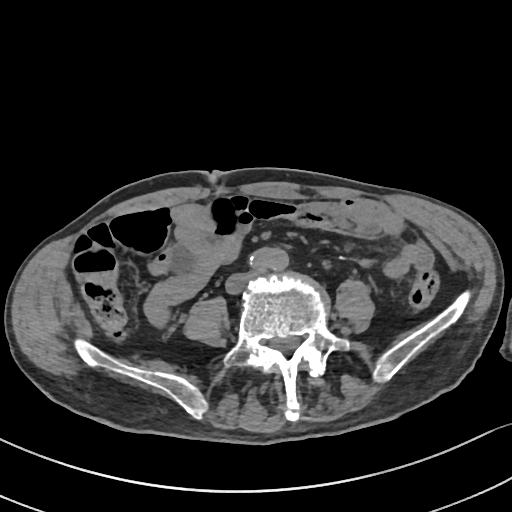

CT, abdomen/pelvis — axial plane, index 86 — 512x512 px
<organs><organ name="aorta" x1="250" y1="247" x2="289" y2="270"/></organs>